Abdominal CT; this slice is in the lower chest, just above the liver. Axial slice 98/111. soft-tissue window, W/L 400/40. 512x512 px
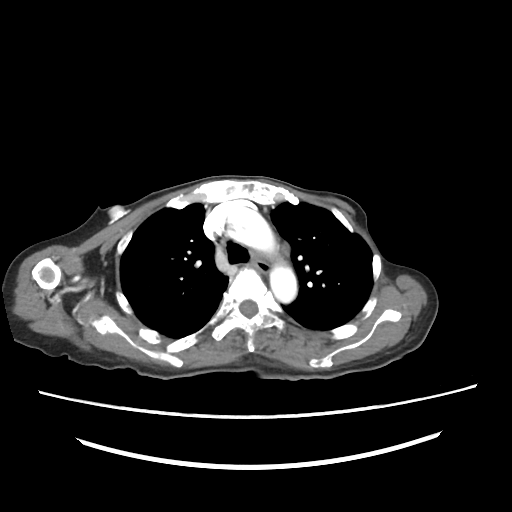
The heart and lungs are never labeled in this dataset, so they have no box on this slice. Coordinates as <box>x1,y1,x2,y2</box> in pixels. 2 labeled organs on this slice — esophagus at <box>252,260,270,273</box>; aorta at <box>227,206,278,256</box>; aorta at <box>270,262,297,302</box>.